Computed tomography, abdomen — axial view — abdomen soft-tissue window — acquired on SOMATOM Force — scan has 15 labeled organs (a whole-scan count: organs this slice does not pass through have no box)
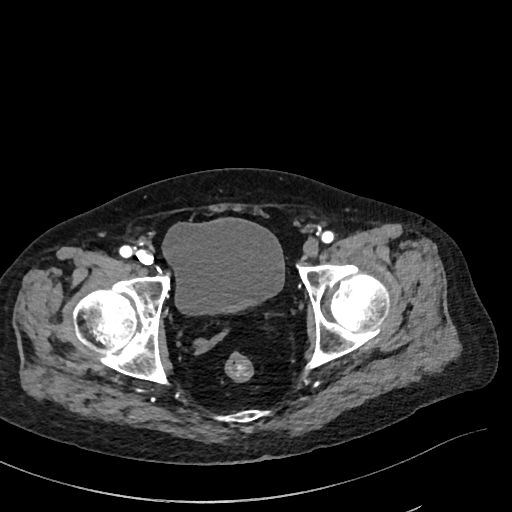 <organs><organ name="bladder" x1="162" y1="217" x2="284" y2="314"/></organs>